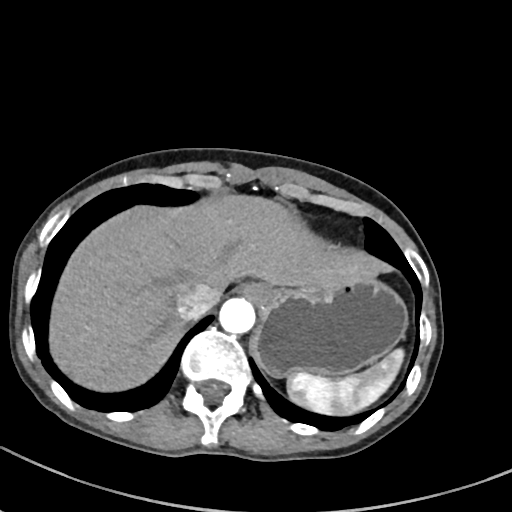
Computed tomography, abdomen — axial view
One row per box, in pixels: columns x1 and y1 give the top-left corner, x2 and y2 the bottom-right.
| organ | x1 | y1 | x2 | y2 |
|---|---|---|---|---|
| spleen | 287 | 349 | 403 | 414 |
| esophagus | 239 | 282 | 272 | 304 |
| liver | 49 | 194 | 394 | 391 |
| stomach | 252 | 277 | 407 | 376 |
| aorta | 219 | 297 | 255 | 333 |
| inferior vena cava | 177 | 283 | 220 | 319 |